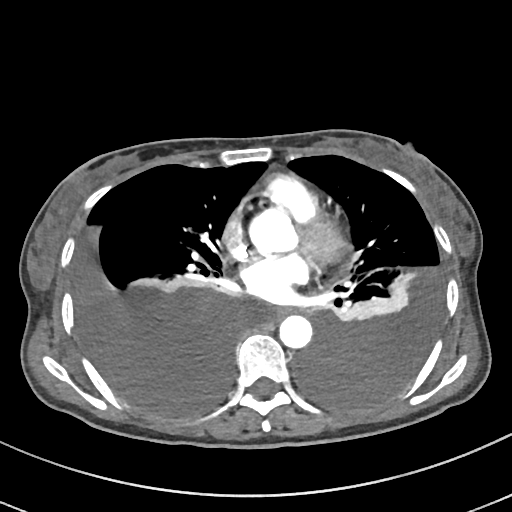
Lower-chest slice from an abdominal CT, just above the liver and spleen. axial view. soft-tissue window (W 400 / L 40). 512x512 px. scan has 15 labeled organs (a whole-scan count: organs this slice does not pass through have no box)
No part of the heart or lungs is labeled in this dataset, so neither has a box here.
Box edges are left/top/right/bottom in pixels.
esophagus: left=266, top=307, right=288, bottom=318
aorta: left=247, top=210, right=295, bottom=253
aorta: left=279, top=315, right=312, bottom=349